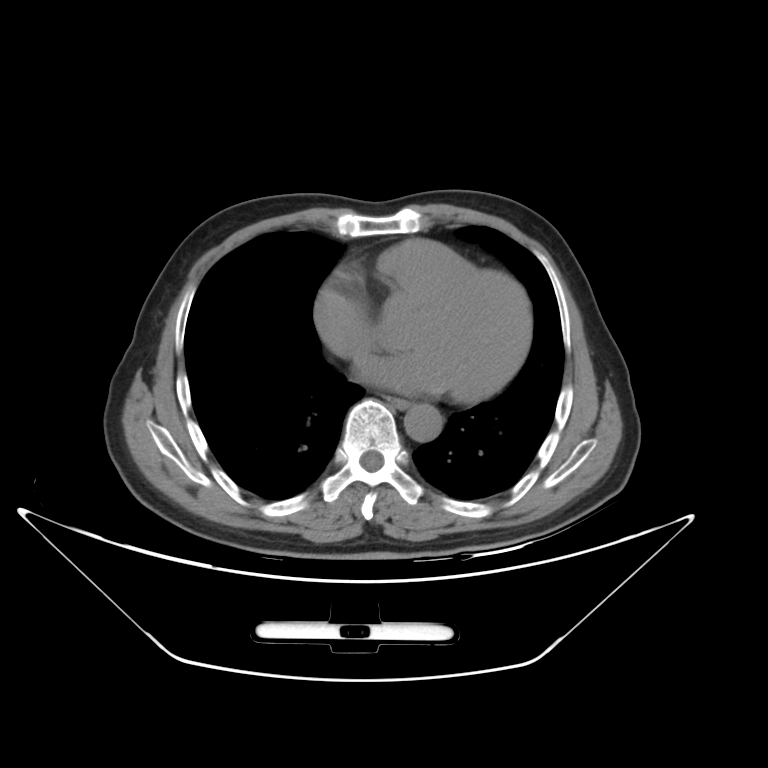
CT of the abdomen reaching into the lower chest, slice just above the liver and spleen — axial view — 71-year-old male patient
Of the structures in the chest, this dataset labels only the esophagus, the aorta and the inferior vena cava; the heart and lungs have no label.
Box edges are left/top/right/bottom in pixels.
esophagus: left=388, top=398, right=408, bottom=407
aorta: left=404, top=404, right=441, bottom=441